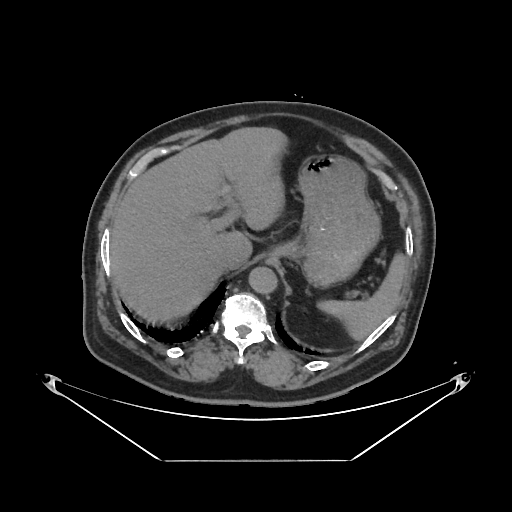
CT abdomen — axial view — soft-tissue window
{"organs":{"spleen":[318,253,404,339],"liver":[109,127,286,321],"stomach":[268,154,380,286],"aorta":[248,266,276,292],"inferior vena cava":[213,254,237,273]}}